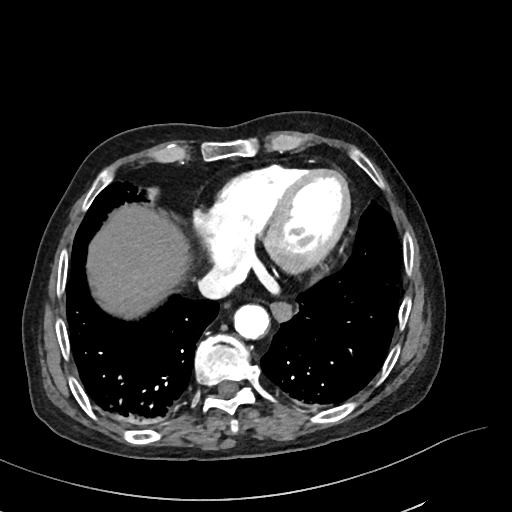

Computed tomography, abdomen. Axial slice 214/235. abdomen soft-tissue window. 512x512 px. scan has 15 labeled organs (counted over the whole 3D scan, not this slice; an organ is boxed only where this slice passes through it)
<organs><organ name="esophagus" x1="270" y1="302" x2="292" y2="321"/><organ name="liver" x1="87" y1="204" x2="190" y2="319"/><organ name="aorta" x1="233" y1="304" x2="269" y2="339"/><organ name="inferior vena cava" x1="198" y1="266" x2="240" y2="299"/></organs>